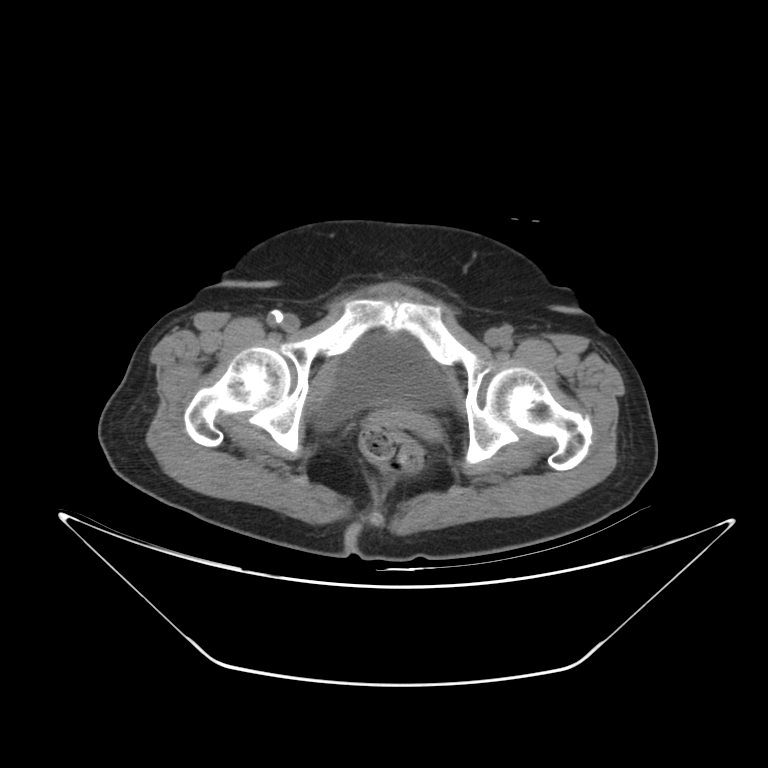 Computed tomography, abdomen. axial view. soft-tissue window (W 400 / L 40)
<organs><organ name="bladder" x1="316" y1="333" x2="446" y2="428"/></organs>